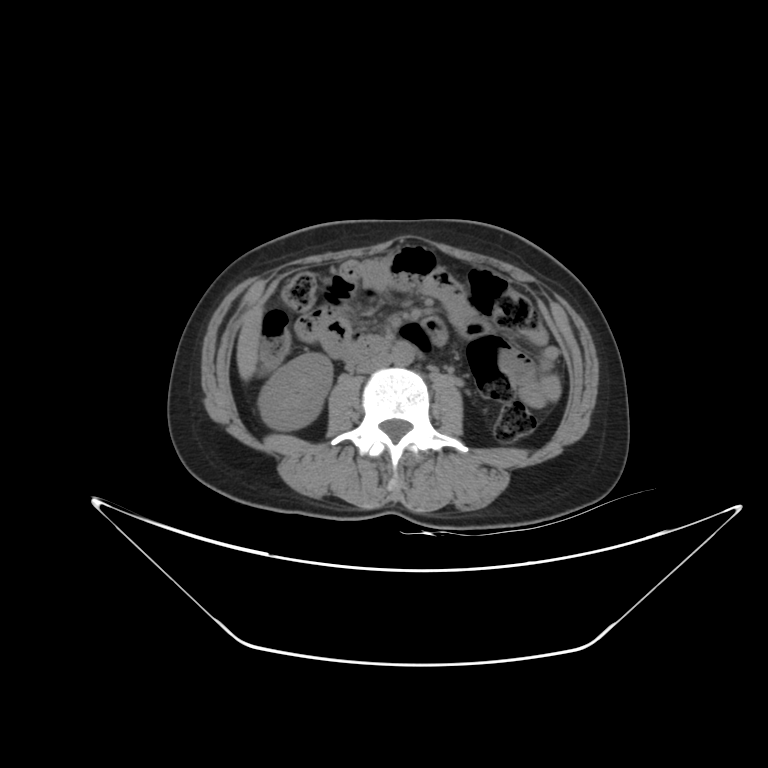 Abdominal CT · axial view · soft-tissue window · 15 organs annotated in this scan (counted over the whole 3D scan, not this slice; an organ is boxed only where this slice passes through it)
Each box given as x1,y1,x2,y2. Labeled organs on this slice: right kidney at x1=258, y1=353, x2=332, y2=430, liver at x1=237, y1=305, x2=263, y2=380, aorta at x1=391, y1=341, x2=414, y2=365, inferior vena cava at x1=355, y1=353, x2=390, y2=373, duodenum at x1=344, y1=334, x2=391, y2=362.